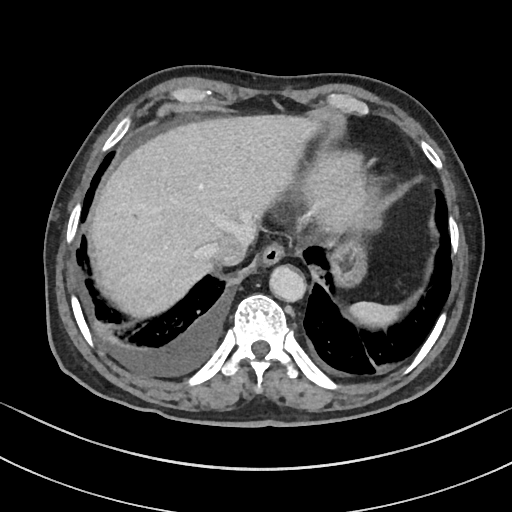
CT, abdomen/pelvis. axial view. soft-tissue window
Boxes: x1 y1 x2 y2 (pixel coords, space-separated).
spleen: 351 302 401 326
inferior vena cava: 207 226 255 264
liver: 91 113 322 317
esophagus: 262 244 283 263
aorta: 270 267 306 302
stomach: 332 240 366 283